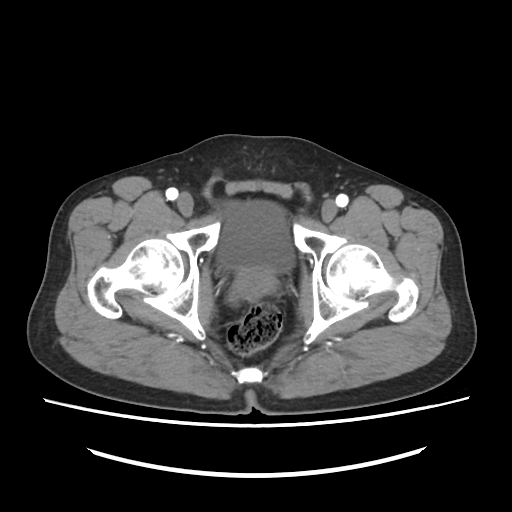
CT abdomen · axial view · soft-tissue window (W 400 / L 40) · 46-year-old male patient
Each box given as x1,y1,x2,y2.
bladder: x1=219, y1=200, x2=293, y2=271
prostate/uterus: x1=235, y1=266, x2=276, y2=298